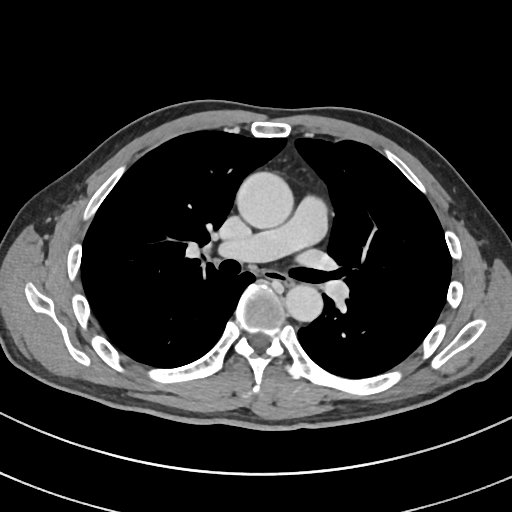
Abdominal CT reaching into the chest; this slice is in the chest. axial view. W/L 400/40 HU
At this level of the chest this dataset labels only the esophagus and the aorta, and each is boxed only where it is labeled; the heart and lungs are never labeled.
Each box given as x1,y1,x2,y2.
esophagus: x1=263, y1=270, x2=293, y2=285
aorta: x1=236, y1=172, x2=293, y2=229
aorta: x1=284, y1=284, x2=323, y2=321